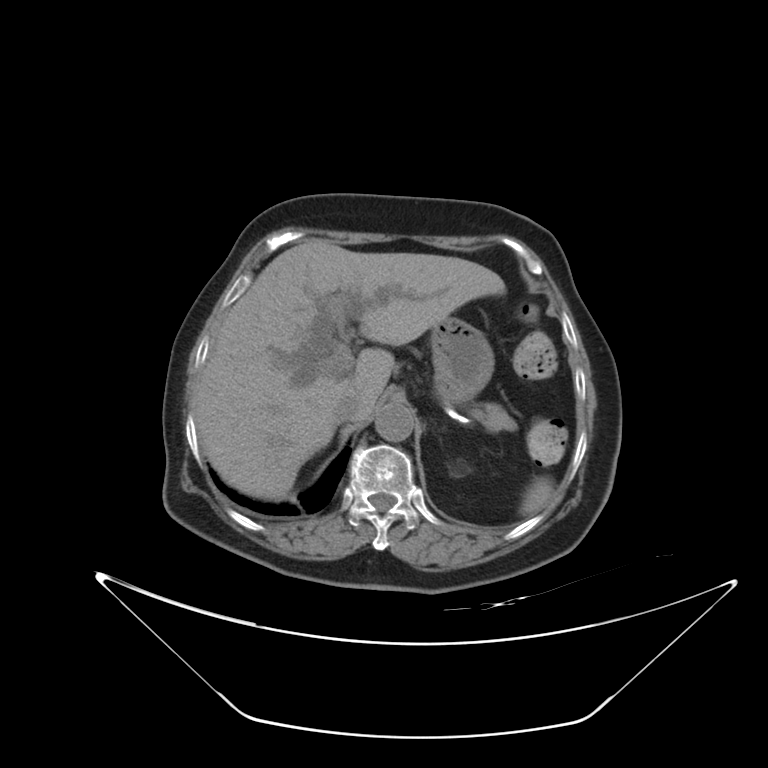
Computed tomography, abdomen — axial view — acquired on Brilliance16
Coordinates as <box>x1,y1,x2,y2</box> in pixels.
Organ bounding boxes:
- stomach: <box>429,317,494,405</box>
- pancreas: <box>471,402,517,431</box>
- aorta: <box>374,403,413,442</box>
- inferior vena cava: <box>332,395,363,423</box>
- liver: <box>193,240,505,500</box>
- spleen: <box>521,481,554,515</box>